Computed tomography, abdomen; axial view; W/L 400/40 HU; 512x512 px
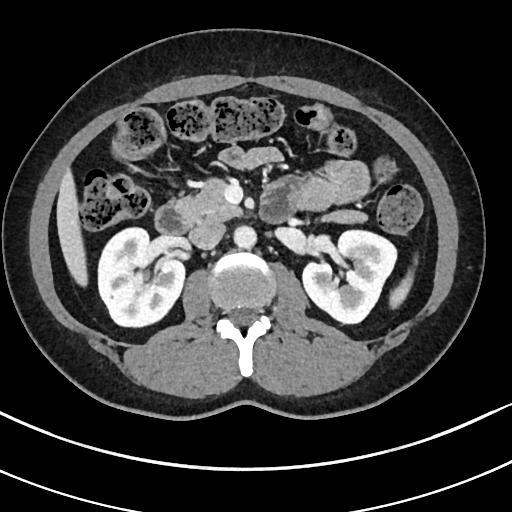 Organ boxes in pixel coordinates; each row gives the top-left (x1, y1) and bottom-right (x2, y2) corners.
| organ | x1 | y1 | x2 | y2 |
|---|---|---|---|---|
| spleen | 389 | 271 | 412 | 310 |
| right kidney | 99 | 228 | 185 | 327 |
| left kidney | 302 | 228 | 396 | 324 |
| liver | 56 | 168 | 87 | 287 |
| aorta | 234 | 226 | 257 | 249 |
| inferior vena cava | 189 | 224 | 225 | 248 |
| pancreas | 176 | 177 | 367 | 225 |
| duodenum | 154 | 190 | 292 | 234 |